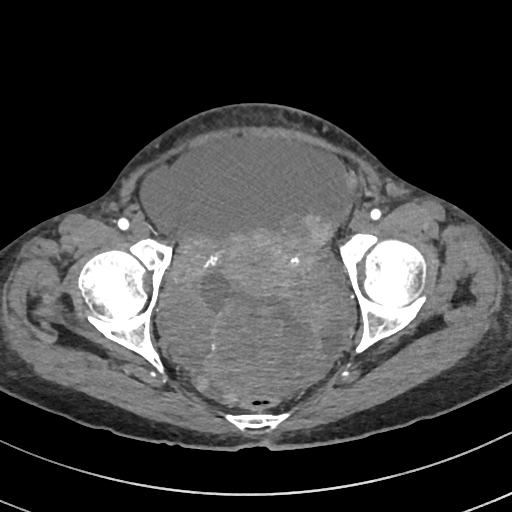 Abdominal CT. axial view. 512x512 px. scan has 15 labeled organs (counted over the whole 3D scan, not this slice; an organ is boxed only where this slice passes through it)
<organs><organ name="prostate/uterus" x1="221" y1="229" x2="298" y2="300"/></organs>